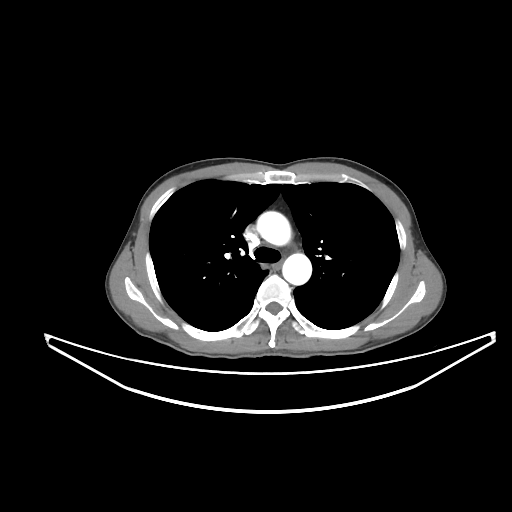 Chest-level CT slice, above the liver and spleen — axial view — soft-tissue window — 512x512 px — 52-year-old male patient — 15 organs annotated in this scan (counted over the whole 3D scan, not this slice; an organ is boxed only where this slice passes through it)
At this level of the chest no structure but the esophagus and the aorta has a label in this dataset, and those two are boxed only where they are labeled.
Coordinates as <box>x1,y1,x2,y2</box> in pixels.
esophagus: <box>271,258,284,270</box>
aorta: <box>256,211,291,245</box>
aorta: <box>282,253,311,285</box>